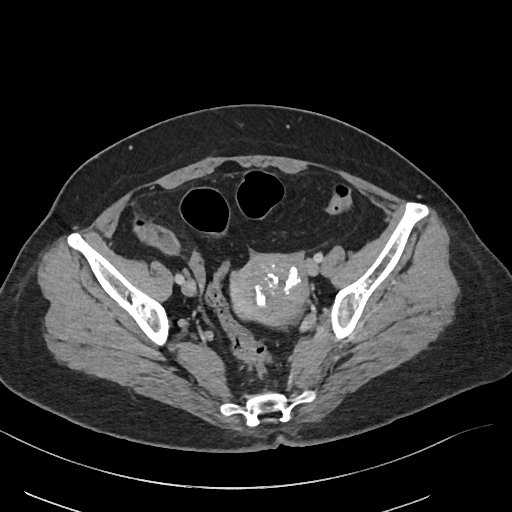

CT abdomen; axial view; 15 organs annotated in this scan (counted over the whole 3D scan, not this slice; an organ is boxed only where this slice passes through it)
<organs><organ name="prostate/uterus" x1="230" y1="254" x2="307" y2="325"/></organs>